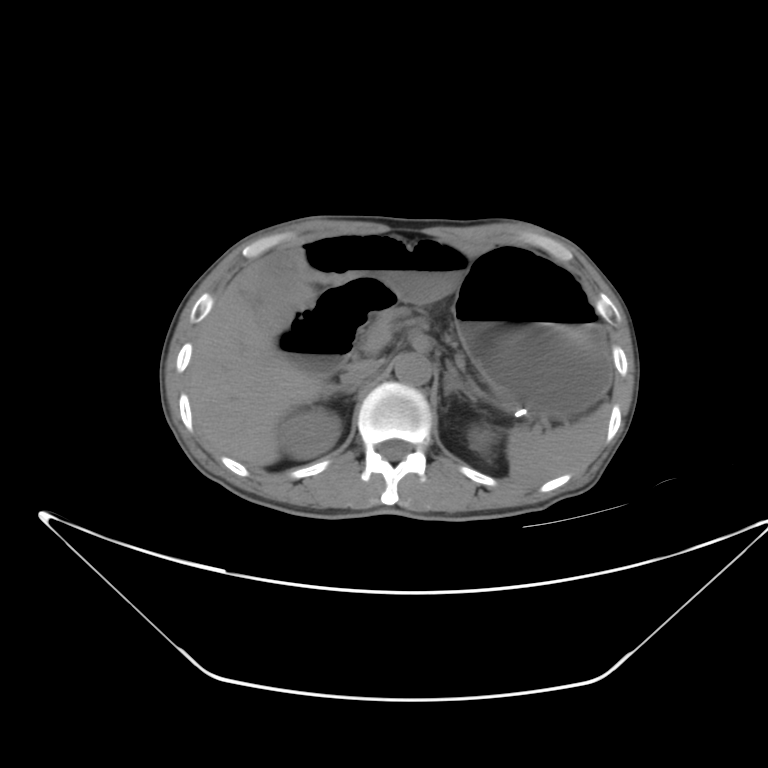
CT, abdomen/pelvis — axial view
<organs><organ name="left kidney" x1="467" y1="425" x2="495" y2="453"/><organ name="stomach" x1="453" y1="243" x2="612" y2="415"/><organ name="gall bladder" x1="261" y1="251" x2="297" y2="324"/><organ name="duodenum" x1="277" y1="278" x2="400" y2="378"/><organ name="inferior vena cava" x1="339" y1="359" x2="381" y2="387"/><organ name="aorta" x1="394" y1="353" x2="430" y2="384"/><organ name="spleen" x1="508" y1="401" x2="614" y2="482"/><organ name="right adrenal gland" x1="322" y1="386" x2="356" y2="398"/><organ name="pancreas" x1="360" y1="320" x2="395" y2="358"/><organ name="liver" x1="189" y1="279" x2="327" y2="466"/><organ name="right kidney" x1="278" y1="411" x2="338" y2="457"/><organ name="left adrenal gland" x1="444" y1="366" x2="475" y2="397"/></organs>